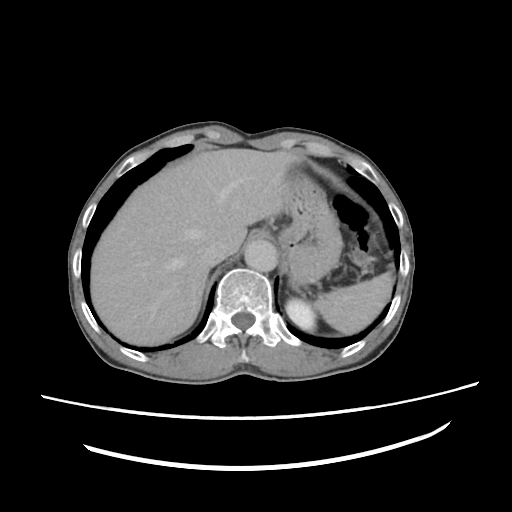 Computed tomography, abdomen; axial plane, index 72; abdomen soft-tissue window; acquired on Aquilion ONE; 15 organs annotated in this scan (a whole-scan count: organs this slice does not pass through have no box)
{"organs":{"spleen":[314,273,392,333],"left kidney":[286,300,315,329],"liver":[90,148,304,345],"stomach":[280,167,339,287],"aorta":[245,240,277,272],"inferior vena cava":[199,236,231,266]}}